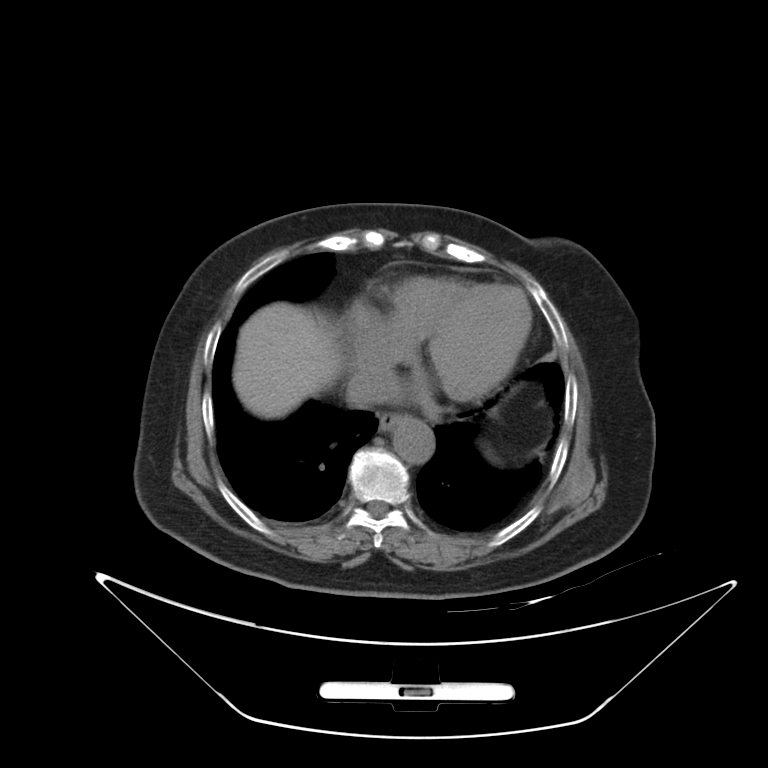 Abdominal CT; axial view
{"organs":{"esophagus":[379,413,402,431],"liver":[232,302,341,418],"aorta":[392,417,434,464],"inferior vena cava":[345,368,397,407]}}